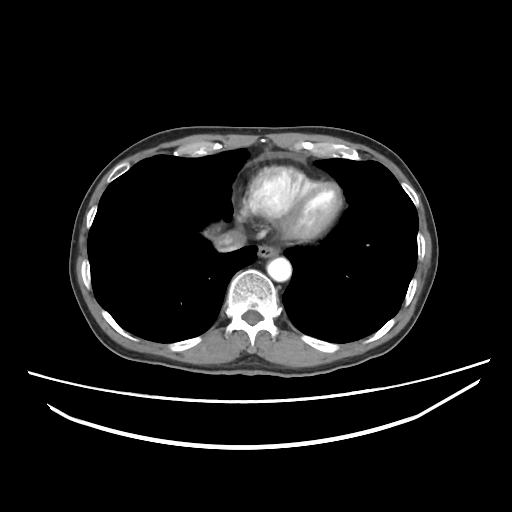 Lower-chest slice from an abdominal CT, just above the liver and spleen · Axial slice 54/109 · soft-tissue window · scan has 13 labeled organs (that count is for the whole scan; organs this slice misses have no box)
No part of the heart or lungs is labeled in this dataset, so neither has a box here. Boxes: x1:y1:x2:y2 in pixels. Labeled organs on this slice: esophagus at 257:246:278:257, aorta at 266:257:291:281, inferior vena cava at 215:230:246:251.